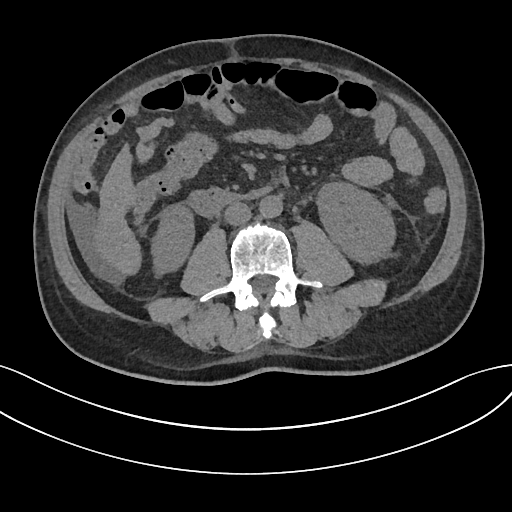 Computed tomography, abdomen; axial view; soft-tissue window (W 400 / L 40); scan has 15 labeled organs (a whole-scan count: organs this slice does not pass through have no box)
Boxes are (x1, y1, x2, y2) in pixels. 6 labeled organs on this slice — right kidney at (150, 204, 195, 272); left kidney at (317, 182, 397, 265); liver at (91, 143, 142, 277); aorta at (259, 195, 282, 218); inferior vena cava at (224, 202, 251, 226); duodenum at (188, 188, 267, 217).